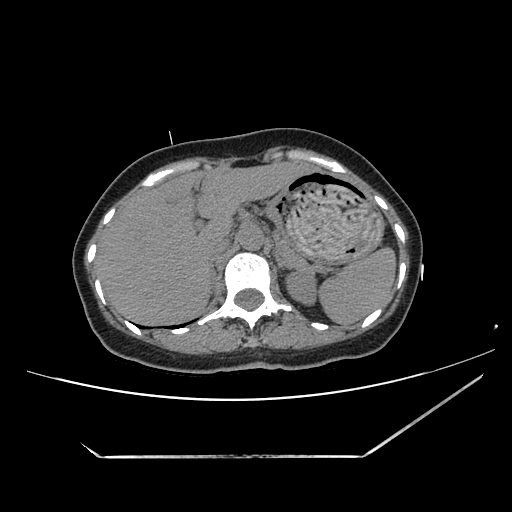

Computed tomography, abdomen; axial view; soft-tissue window (W 400 / L 40); SOMATOM Force scanner; scan has 14 labeled organs (that count is for the whole scan; organs this slice misses have no box)
Bounding boxes as [x1, y1, x2, y2] in pixel coordinates.
Organ bounding boxes:
- left adrenal gland: [276, 256, 290, 274]
- spleen: [318, 247, 396, 325]
- left kidney: [287, 270, 315, 303]
- aorta: [238, 226, 265, 251]
- inferior vena cava: [204, 238, 230, 264]
- stomach: [265, 171, 384, 262]
- pancreas: [279, 241, 310, 272]
- liver: [95, 162, 317, 324]